CT abdomen · axial view · W/L 400/40 HU · 512x512 px · acquired on SOMATOM Force · 15 organs annotated in this scan (that count is for the whole scan; organs this slice misses have no box)
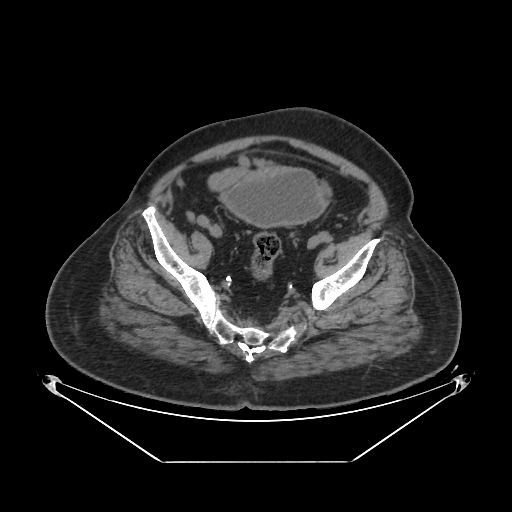

<organs><organ name="bladder" x1="219" y1="167" x2="327" y2="227"/></organs>